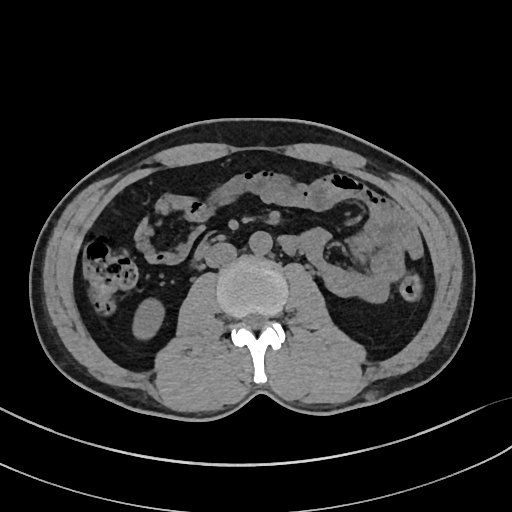

Abdominal CT. axial view. 512x512 px
Boxes: x1 y1 x2 y2 (pixel coords, space-separated). The annotated organs in this slice are: right kidney at 133 299 164 339, aorta at 249 231 272 255, inferior vena cava at 205 242 237 267.